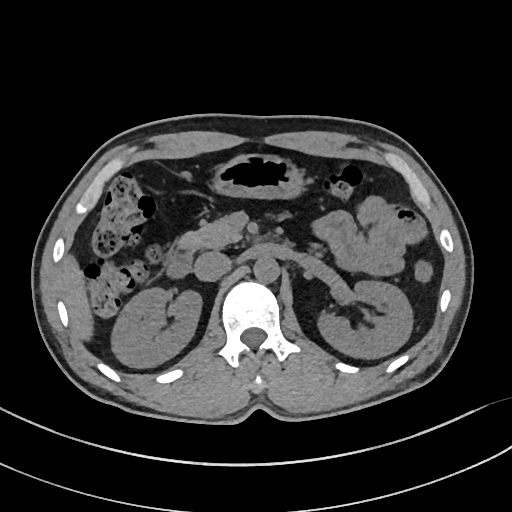
Computed tomography, abdomen · axial plane, index 162 · soft-tissue window (W 400 / L 40)
{"organs":{"inferior vena cava":[194,251,230,281],"right kidney":[110,287,200,367],"duodenum":[166,247,192,276],"liver":[62,257,90,337],"pancreas":[176,220,240,251],"aorta":[253,255,278,282],"stomach":[216,155,301,197],"left kidney":[319,280,414,358]}}